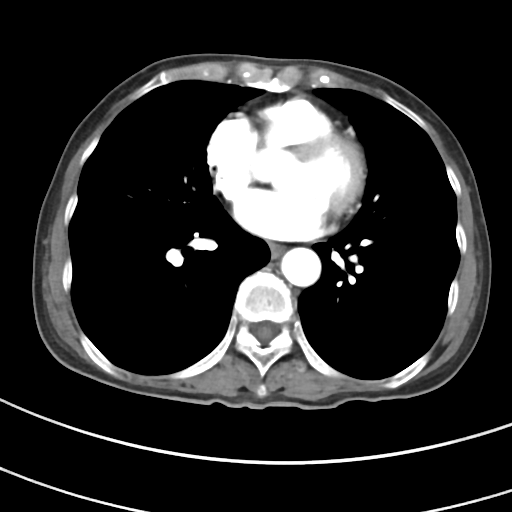

Chest-level CT slice, above the liver and spleen. axial view. soft-tissue window
At this level of the chest this dataset labels only the esophagus and the aorta, and each is boxed only where it is labeled; the heart and lungs are never labeled.
Boxes: x1:y1:x2:y2 in pixels.
esophagus: 269:242:284:257
aorta: 281:247:320:286